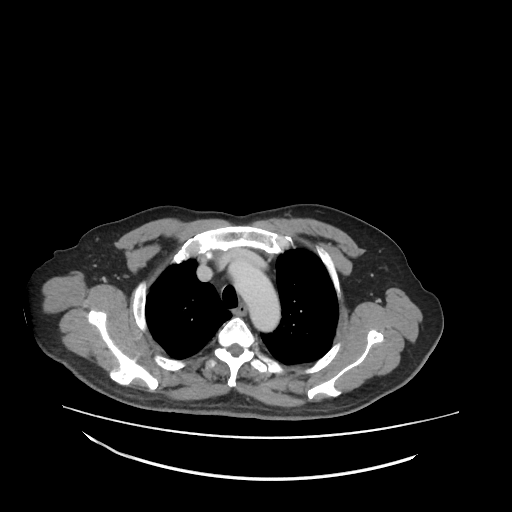
Abdominal CT reaching into the chest; this slice is in the chest; axial view; W/L 400/40 HU; 512x512 px
At this level of the chest this dataset labels only the esophagus and the aorta, and each is boxed only where it is labeled; the heart and lungs are never labeled.
Bounding boxes as [x1, y1, x2, y2] in pixel coordinates.
aorta: [228, 258, 278, 331]
esophagus: [232, 301, 246, 315]